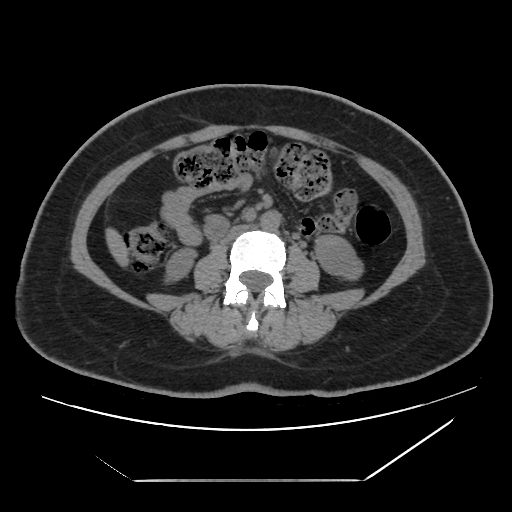

CT abdomen · Axial slice 172/345 · abdomen soft-tissue window · 512x512 px · 15 organs annotated in this scan (that count is for the whole scan; organs this slice misses have no box)
Each box given as x1,y1,x2,y2.
Organ bounding boxes:
- inferior vena cava: x1=222, y1=225, x2=250, y2=242
- left kidney: x1=316, y1=235, x2=362, y2=278
- right kidney: x1=167, y1=249, x2=194, y2=278
- liver: x1=106, y1=230, x2=127, y2=264
- aorta: x1=260, y1=211, x2=280, y2=231